Abdominal CT — Axial slice 167/305 — W/L 400/40 HU
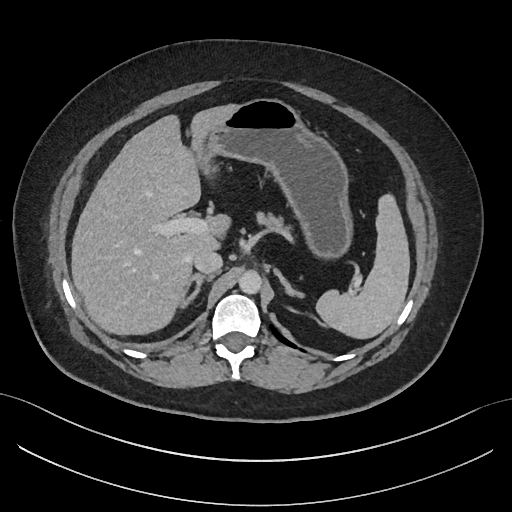
Boxes are (x1, y1, x2, y2) in pixels. The annotated organs in this slice are: spleen at (316, 194, 409, 338), liver at (71, 104, 237, 335), stomach at (202, 98, 352, 259), aorta at (238, 270, 262, 293), inferior vena cava at (193, 250, 222, 273), pancreas at (256, 211, 292, 233), right adrenal gland at (180, 274, 213, 308), left adrenal gland at (274, 268, 303, 297).